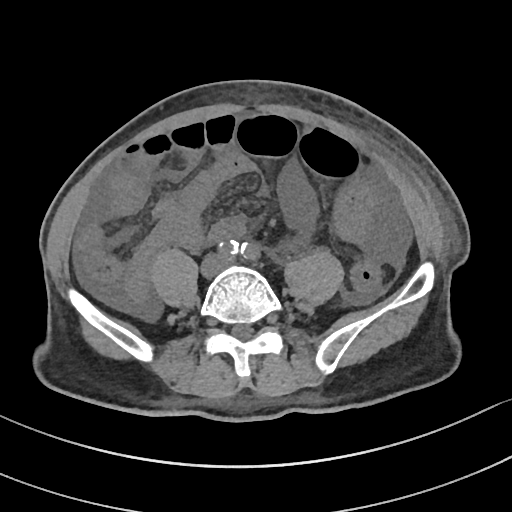
CT abdomen · axial view · 512x512 px · scan has 15 labeled organs (counted over the whole 3D scan, not this slice; an organ is boxed only where this slice passes through it)
Coordinates as <box>x1,y1,x2,y2</box> in pixels.
Organ bounding boxes:
- aorta: <box>224,241,256,257</box>